CT, abdomen/pelvis · axial view · 39-year-old female patient · Brilliance16 scanner · 15 organs annotated in this scan (that count is for the whole scan; organs this slice misses have no box)
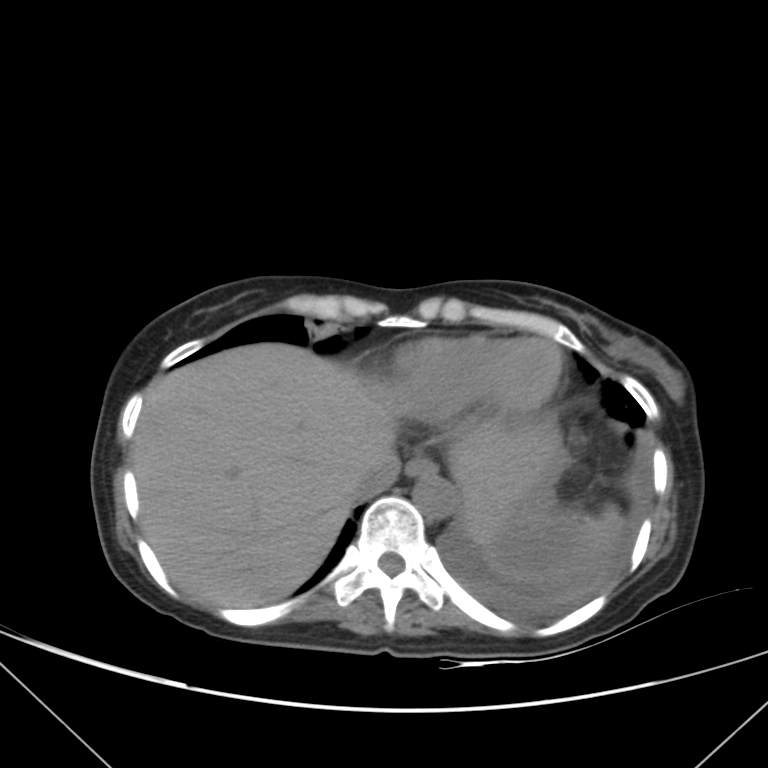

Bounding boxes as [x1, y1, x2, y2] in pixel coordinates.
spleen: [572, 506, 622, 554]
esophagus: [406, 457, 435, 478]
liver: [132, 343, 561, 606]
aorta: [413, 475, 457, 518]
inferior vena cava: [352, 452, 400, 500]